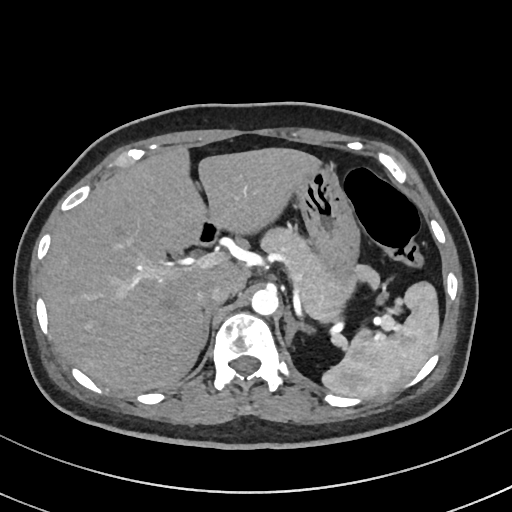 Computed tomography, abdomen — axial view
<organs><organ name="aorta" x1="251" y1="288" x2="278" y2="315"/><organ name="right adrenal gland" x1="201" y1="310" x2="212" y2="346"/><organ name="duodenum" x1="196" y1="220" x2="221" y2="246"/><organ name="spleen" x1="322" y1="282" x2="439" y2="398"/><organ name="liver" x1="43" y1="147" x2="321" y2="393"/><organ name="left adrenal gland" x1="285" y1="309" x2="315" y2="345"/><organ name="stomach" x1="295" y1="168" x2="359" y2="302"/><organ name="inferior vena cava" x1="196" y1="282" x2="229" y2="310"/><organ name="pancreas" x1="260" y1="227" x2="343" y2="321"/></organs>